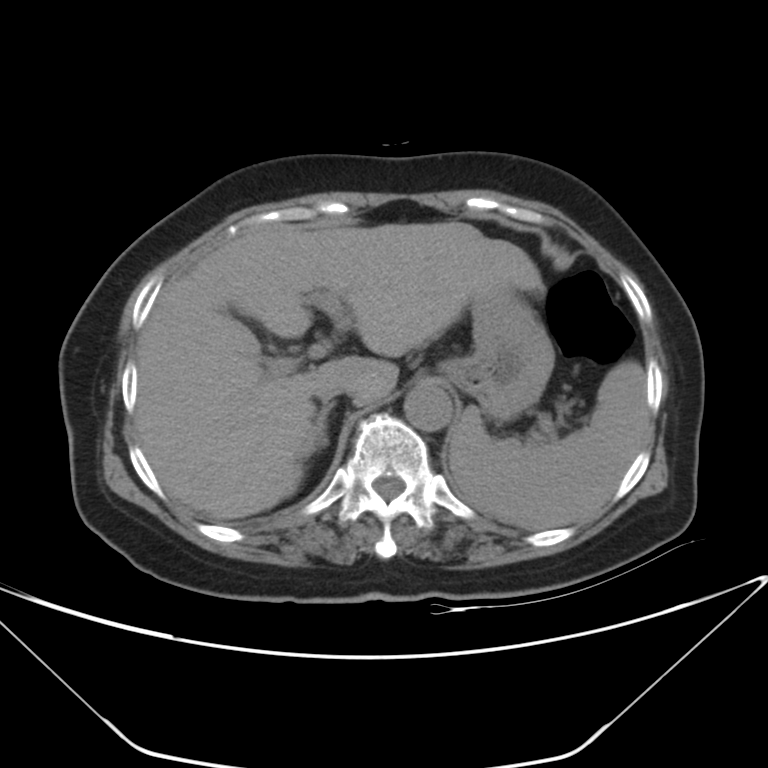

CT, abdomen/pelvis. axial view. W/L 400/40 HU
One row per box, in pixels: columns x1 and y1 give the top-left corner, x2 and y2 the bottom-right.
| organ | x1 | y1 | x2 | y2 |
|---|---|---|---|---|
| spleen | 448 | 360 | 647 | 530 |
| liver | 136 | 221 | 543 | 519 |
| stomach | 439 | 290 | 554 | 422 |
| aorta | 404 | 383 | 452 | 431 |
| inferior vena cava | 315 | 384 | 346 | 403 |
| right adrenal gland | 317 | 401 | 335 | 447 |